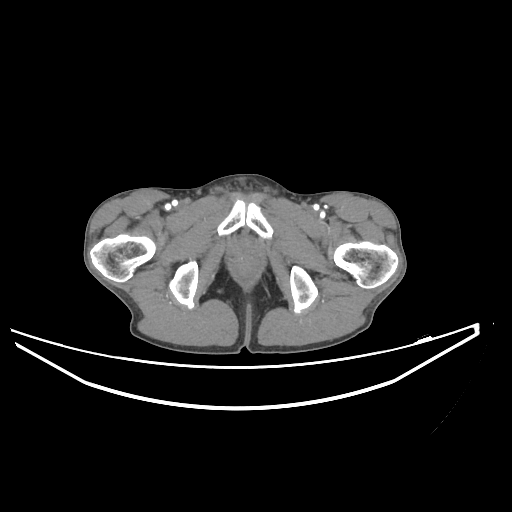

Abdominal CT. Axial slice 11/131. W/L 400/40 HU. 512x512 px
{"organs":{"prostate/uterus":[234,241,256,256]}}